Abdominal CT; this slice is in the lower chest, just above the liver. axial plane, index 194. scan has 15 labeled organs (a whole-scan count: organs this slice does not pass through have no box)
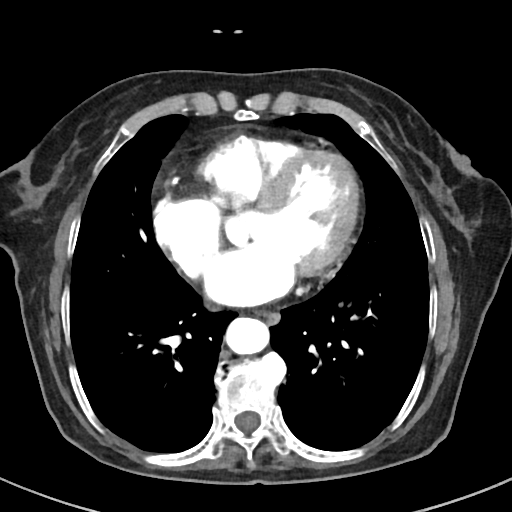

The heart and lungs are never labeled in this dataset, so they have no box on this slice. Boxes: x1:y1:x2:y2 in pixels. 2 labeled organs on this slice — esophagus at 259:311:279:324; aorta at 226:317:270:354.